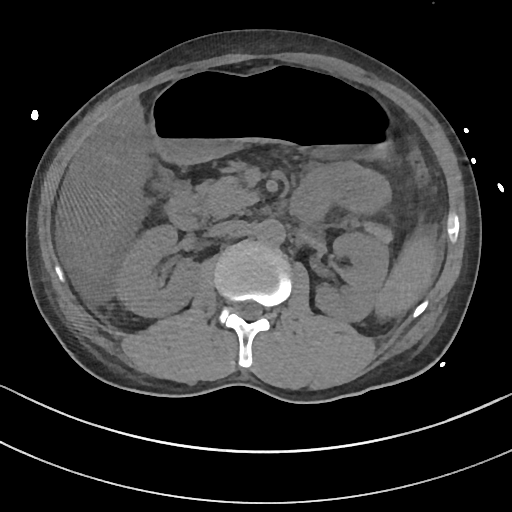 Abdominal CT · Axial slice 159/252
Each box given as x1,y1,x2,y2.
Organ bounding boxes:
- spleen: x1=374, y1=234, x2=437, y2=318
- liver: x1=59, y1=99, x2=150, y2=271
- left kidney: x1=315, y1=232, x2=388, y2=321
- right kidney: x1=116, y1=224, x2=200, y2=317
- inferior vena cava: x1=208, y1=220, x2=244, y2=236
- stomach: x1=150, y1=67, x2=391, y2=164
- duodenum: x1=165, y1=189, x2=207, y2=229
- pancreas: x1=197, y1=176, x2=392, y2=243
- aorta: x1=256, y1=218, x2=285, y2=246